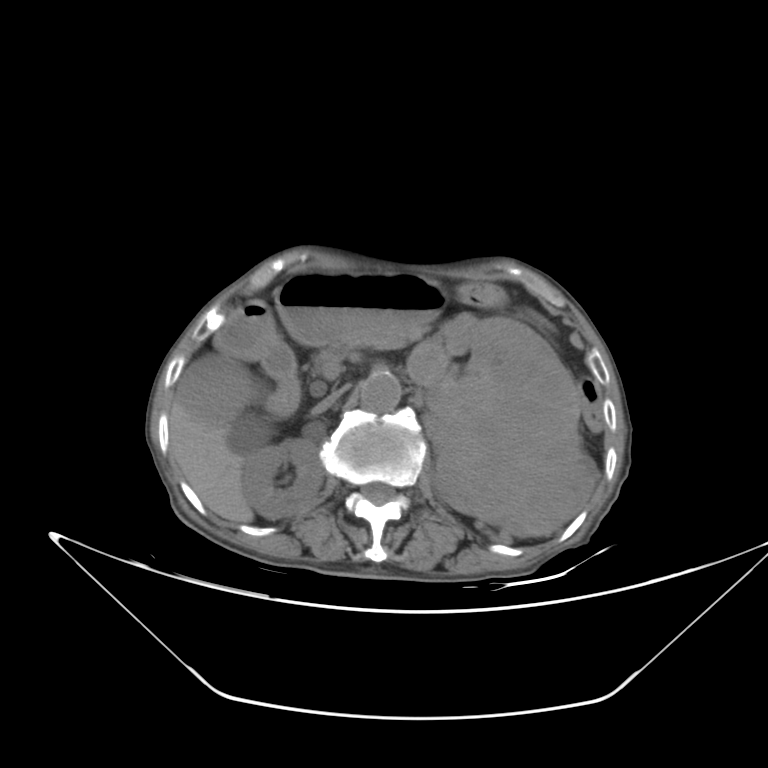

Abdominal CT; axial view; abdomen soft-tissue window
Boxes: x1:y1:x2:y2 in pixels. Labeled organs on this slice: right kidney at 241:435:326:518, left kidney at 408:313:597:536, gall bladder at 177:353:326:424, liver at 172:400:275:522, stomach at 273:273:445:344, aorta at 360:373:399:414, inferior vena cava at 311:382:353:416, pancreas at 312:324:430:367, right adrenal gland at 302:414:322:420, duodenum at 215:302:298:418.